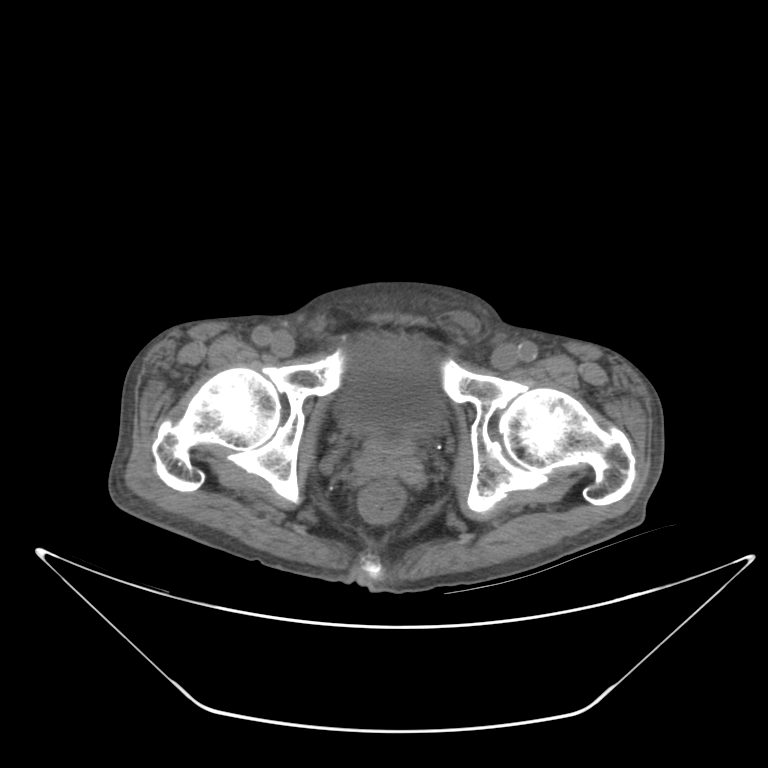
Abdominal CT. axial view. 768x768 px. scan has 13 labeled organs (counted over the whole 3D scan, not this slice; an organ is boxed only where this slice passes through it)
<organs><organ name="bladder" x1="335" y1="346" x2="441" y2="432"/><organ name="prostate/uterus" x1="365" y1="431" x2="411" y2="454"/></organs>